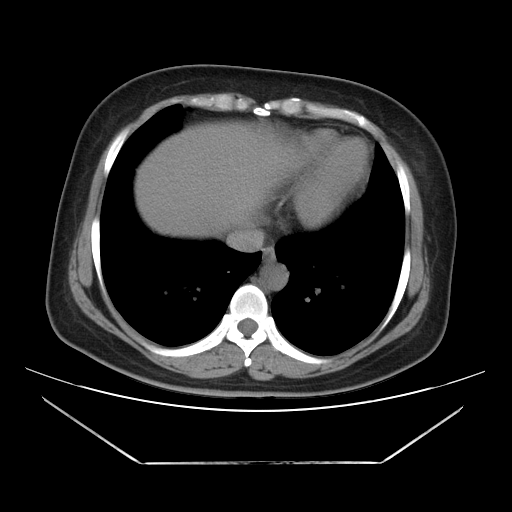
CT abdomen · Axial slice 89/93 · soft-tissue window (W 400 / L 40) · 512x512 px · SOMATOM Force scanner
Box edges are left/top/right/bottom in pixels.
liver: left=134, top=121, right=285, bottom=237
esophagus: left=262, top=246, right=275, bottom=263
inferior vena cava: left=226, top=226, right=264, bottom=251
aorta: left=260, top=263, right=288, bottom=290